CT of the abdomen reaching into the lower chest, slice just above the liver and spleen; axial view; 67-year-old male patient; acquired on Aquilion ONE; scan has 15 labeled organs (a whole-scan count: organs this slice does not pass through have no box)
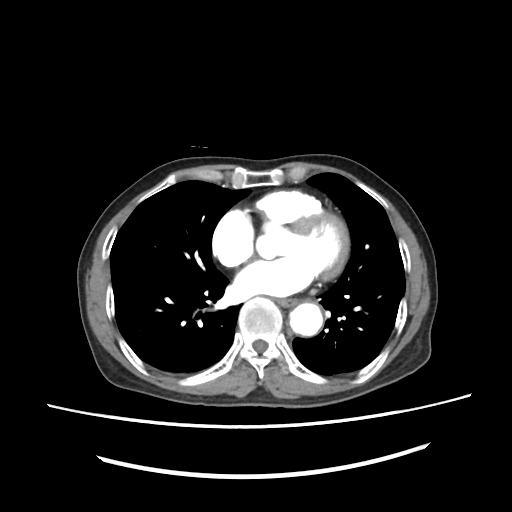
Of the structures in the chest, this dataset labels only the esophagus, the aorta and the inferior vena cava; the heart and lungs have no label.
<organs><organ name="aorta" x1="289" y1="301" x2="324" y2="336"/><organ name="esophagus" x1="279" y1="298" x2="300" y2="308"/></organs>